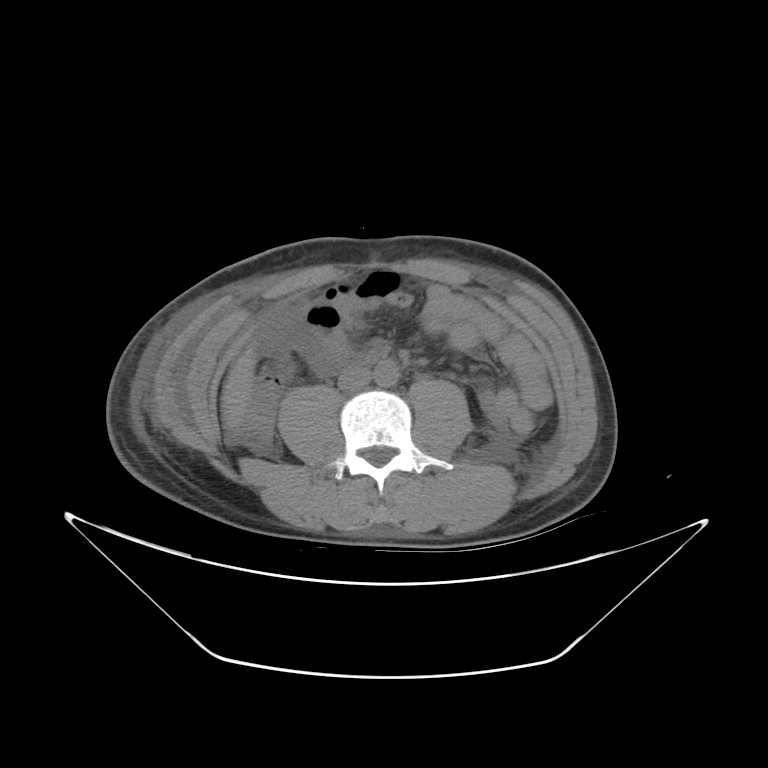

CT, abdomen/pelvis · axial view · 768x768 px
<organs><organ name="aorta" x1="374" y1="361" x2="399" y2="386"/><organ name="inferior vena cava" x1="338" y1="365" x2="371" y2="392"/><organ name="liver" x1="223" y1="351" x2="255" y2="420"/></organs>